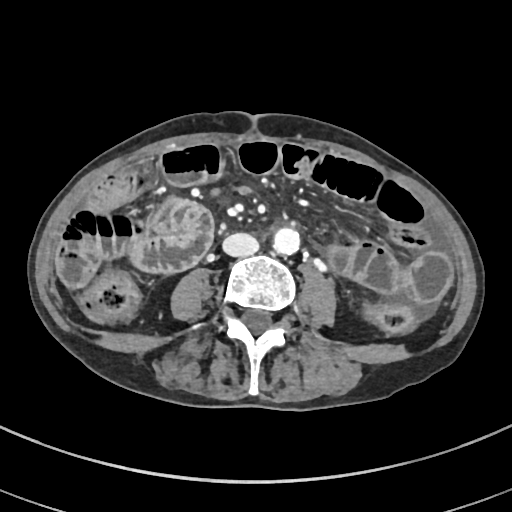
CT abdomen. Axial slice 91/198. 512x512 px. 14 organs annotated in this scan (counted over the whole 3D scan, not this slice; an organ is boxed only where this slice passes through it)
Bounding boxes as [x1, y1, x2, y2] in pixel coordinates.
Organ bounding boxes:
- aorta: [272, 226, 299, 254]
- inferior vena cava: [223, 232, 259, 256]